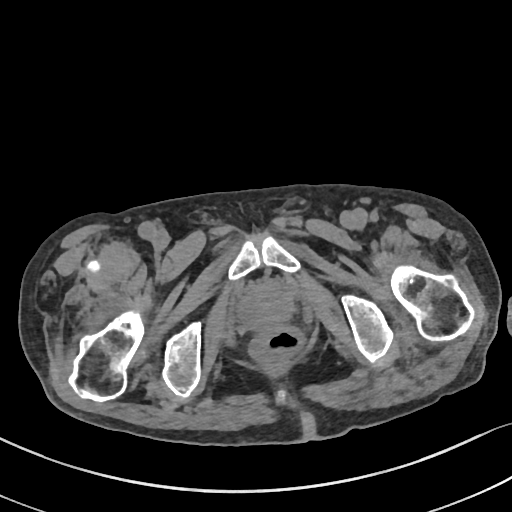

Abdominal CT · axial view
Coordinates as <box>x1,y1,x2,y2</box> in pixels. The annotated organs in this slice are: prostate/uterus at <box>238,280,293,329</box>.